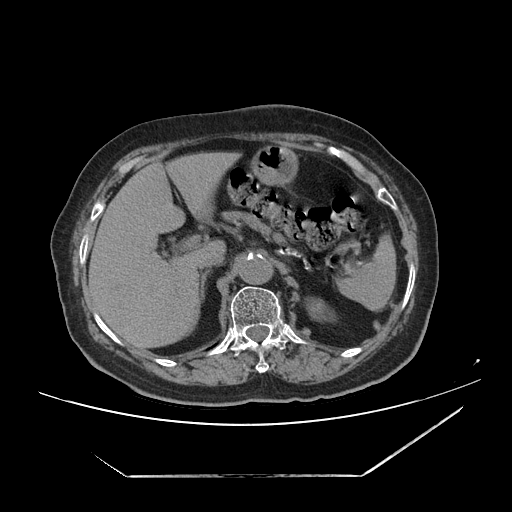

CT abdomen · Axial slice 127/163 · 512x512 px
Boxes are (x1, y1, x2, y2) in pixels.
spleen: (336, 233, 396, 311)
left kidney: (305, 297, 335, 320)
liver: (88, 151, 241, 348)
stomach: (250, 145, 298, 186)
aorta: (237, 254, 272, 284)
inferior vena cava: (200, 254, 224, 268)
pancreas: (221, 210, 286, 244)
right adrenal gland: (200, 270, 211, 300)